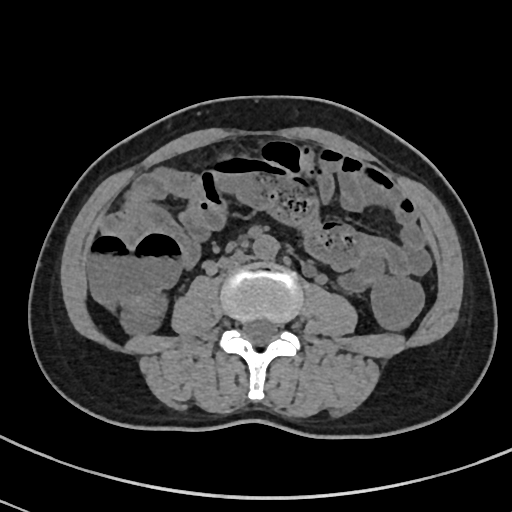

Computed tomography, abdomen — axial view — soft-tissue window
Bounding boxes as [x1, y1, x2, y2] in pixel coordinates. The annotated organs in this slice are: inferior vena cava at [219, 251, 250, 268], aorta at [252, 235, 279, 259].